CT abdomen · axial view · soft-tissue window (W 400 / L 40)
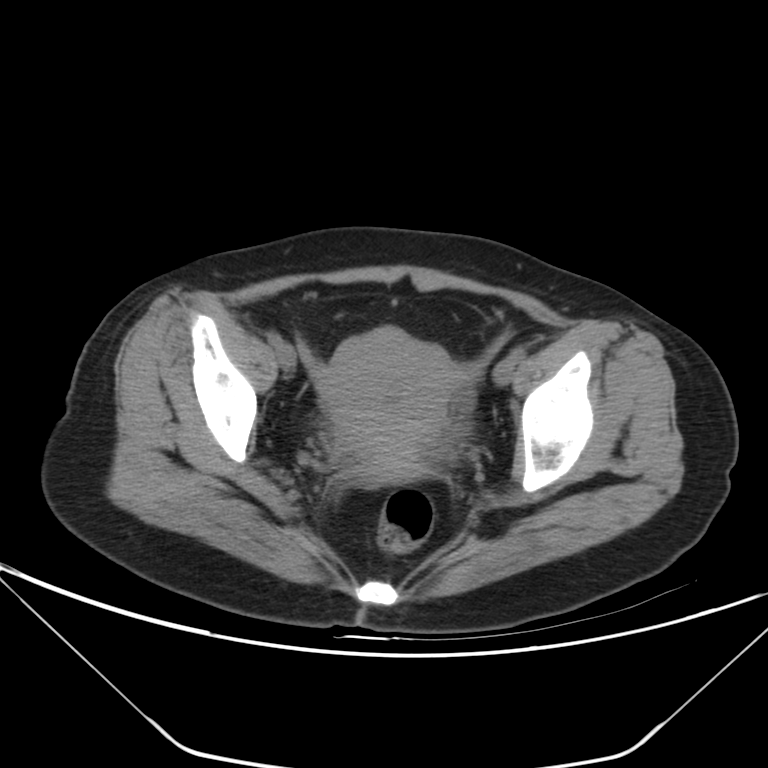

Bounding boxes as [x1, y1, x2, y2] in pixel coordinates.
Organ bounding boxes:
- prostate/uterus: [316, 326, 465, 482]